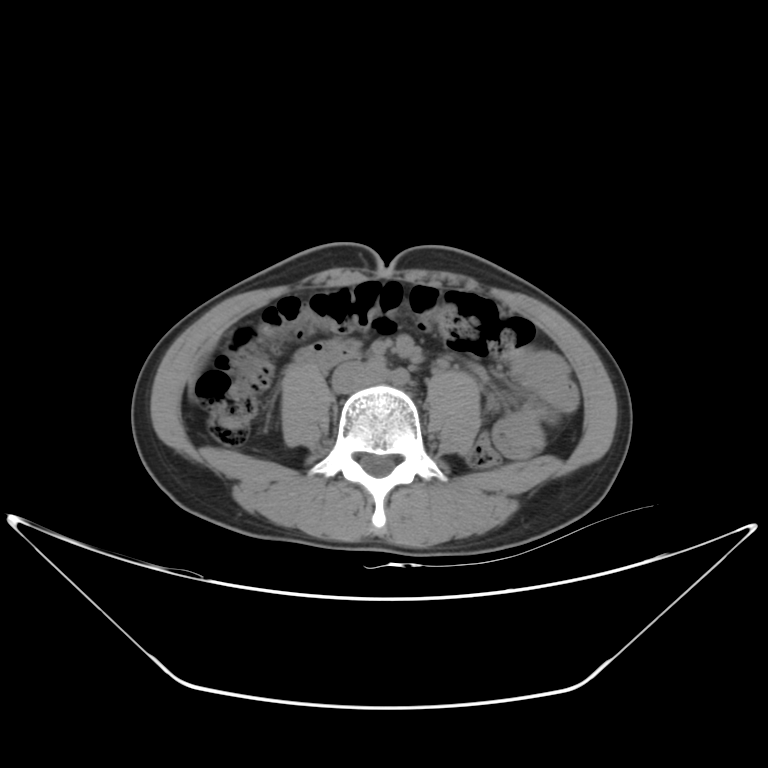
Computed tomography, abdomen. axial view. 768x768 px. 15 organs annotated in this scan (counted over the whole 3D scan, not this slice; an organ is boxed only where this slice passes through it)
Box edges are left/top/right/bottom in pixels. Labeled organs on this slice: inferior vena cava at left=332, top=361, right=386, bottom=393, duodenum at left=294, top=343, right=353, bottom=368.